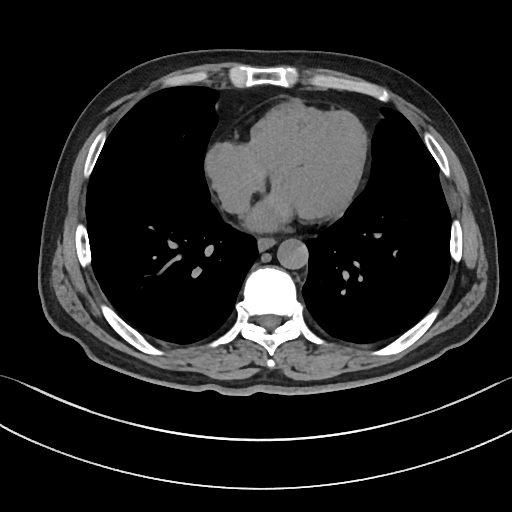 CT of the abdomen reaching into the lower chest, slice just above the liver and spleen · Axial slice 224/231 · 512x512 px · scan has 15 labeled organs (that count is for the whole scan; organs this slice misses have no box)
The heart and lungs are never labeled in this dataset, so they have no box on this slice.
Boxes: x1 y1 x2 y2 (pixel coords, space-separated).
esophagus: 257 239 275 251
aorta: 277 239 308 269